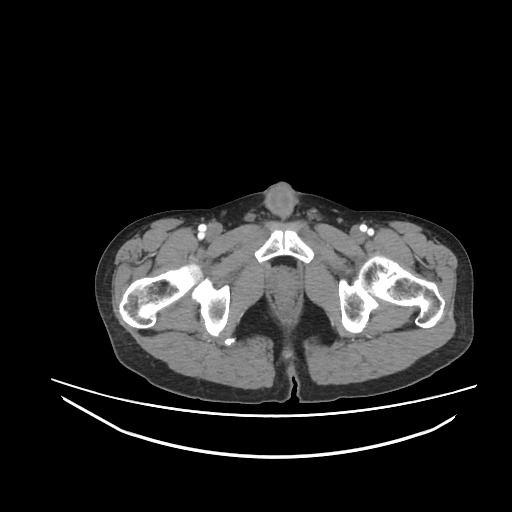 CT, abdomen/pelvis; axial view
Bounding boxes as [x1, y1, x2, y2] in pixel coordinates.
Organ bounding boxes:
- prostate/uterus: [270, 271, 297, 294]